CT abdomen — axial plane, index 56 — soft-tissue window (W 400 / L 40) — Brilliance16 scanner
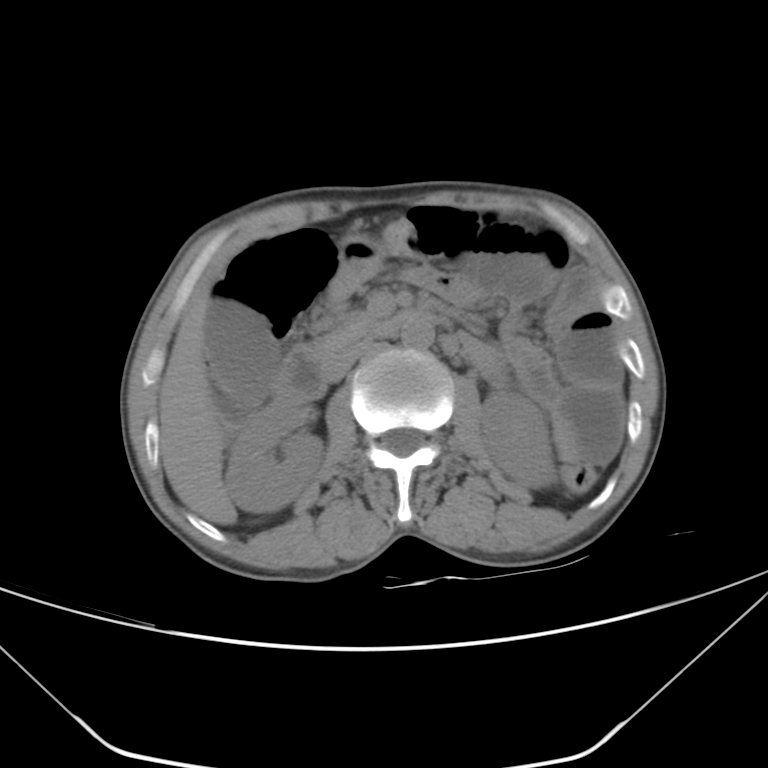 Boxes: x1 y1 x2 y2 (pixel coords, space-separated).
Organ bounding boxes:
- right kidney: 225 397 323 512
- left kidney: 481 392 556 487
- gall bladder: 205 300 276 404
- liver: 159 292 235 524
- stomach: 328 233 385 305
- aorta: 401 319 433 349
- inferior vena cava: 327 337 375 381
- pancreas: 314 314 375 356
- duodenum: 273 310 440 400